Chest-level CT slice, above the liver and spleen. axial view. soft-tissue window (W 400 / L 40). 512x512 px. 15 organs annotated in this scan (counted over the whole 3D scan, not this slice; an organ is boxed only where this slice passes through it)
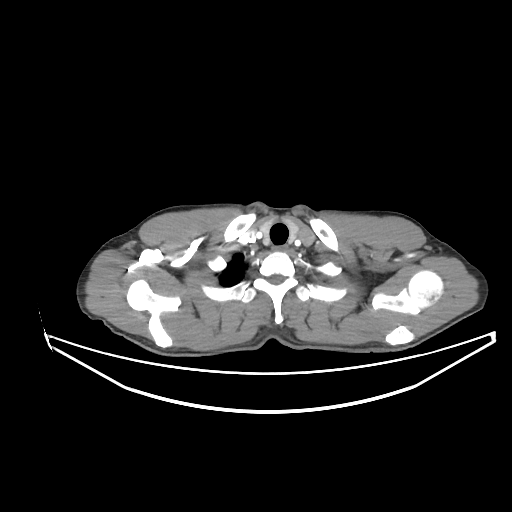 At this level of the chest no structure but the esophagus and the aorta has a label in this dataset, and those two are boxed only where they are labeled.
Boxes are (x1, y1, x2, y2) in pixels.
esophagus: (272, 244, 287, 250)